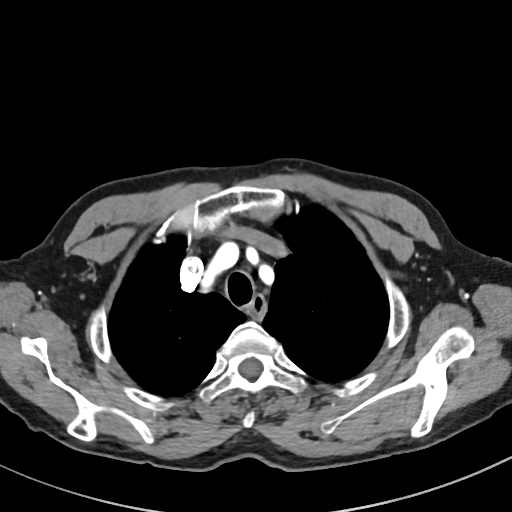 Chest-level CT slice, above the liver and spleen; axial view; soft-tissue window (W 400 / L 40)
At this level of the chest no structure but the esophagus and the aorta has a label in this dataset, and those two are boxed only where they are labeled. Boxes: x1:y1:x2:y2 in pixels. The annotated organs in this slice are: esophagus at 247:296:266:321.